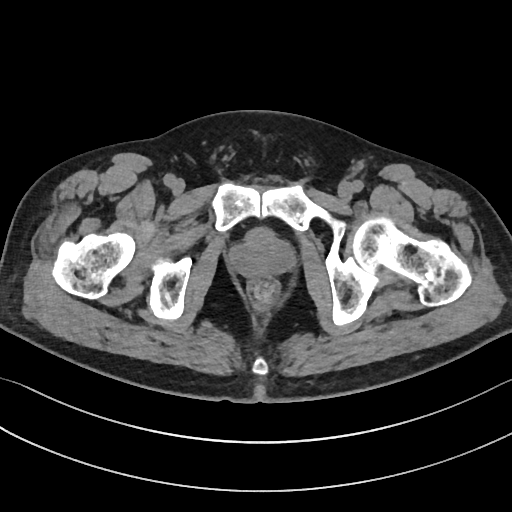
CT abdomen; axial view; 512x512 px
Each box given as x1,y1,x2,y2.
prostate/uterus: x1=231, y1=236, x2=291, y2=277
bladder: x1=245, y1=226, x2=273, y2=239